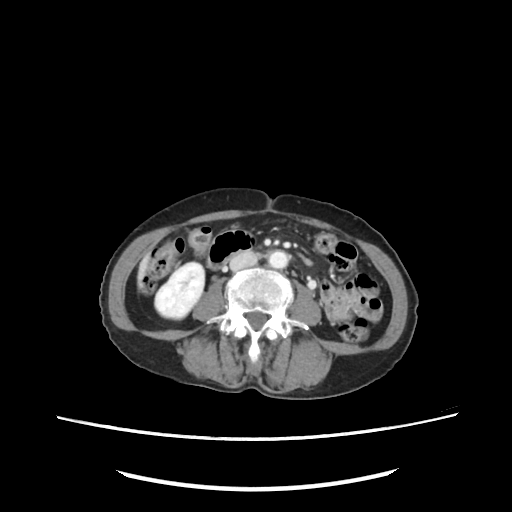 CT abdomen — Axial slice 49/124 — 15 organs annotated in this scan (counted over the whole 3D scan, not this slice; an organ is boxed only where this slice passes through it)
Boxes: x1 y1 x2 y2 (pixel coords, space-separated). 5 labeled organs on this slice — liver at 138 254 150 281; right kidney at 155 263 204 318; aorta at 268 250 286 268; duodenum at 208 231 255 270; inferior vena cava at 230 254 256 268.